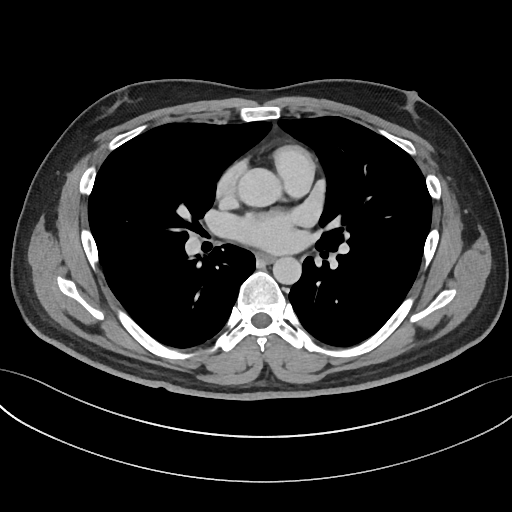

CT of the abdomen extending into the chest, slice through the chest; axial view; 512x512 px
At this level of the chest this dataset labels only the esophagus and the aorta, and each is boxed only where it is labeled; the heart and lungs are never labeled.
<organs><organ name="esophagus" x1="257" y1="252" x2="275" y2="262"/><organ name="aorta" x1="237" y1="168" x2="280" y2="207"/><organ name="aorta" x1="272" y1="256" x2="301" y2="284"/></organs>